CT, abdomen/pelvis; axial view; 512x512 px; 15 organs annotated in this scan (that count is for the whole scan; organs this slice misses have no box)
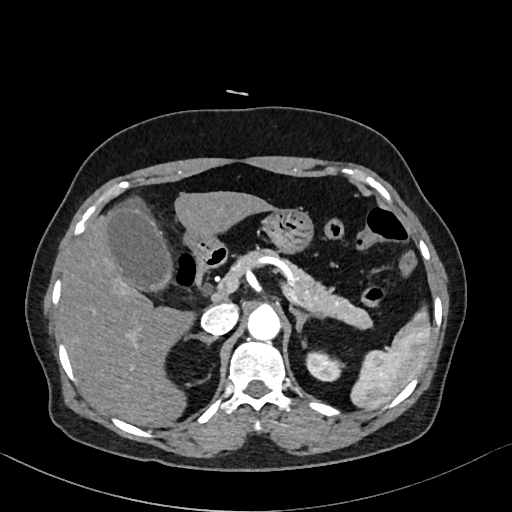 Bounding boxes as [x1, y1, x2, y2] in pixel coordinates.
spleen: [352, 313, 430, 409]
left kidney: [304, 351, 340, 381]
gall bladder: [105, 193, 170, 288]
liver: [60, 191, 271, 426]
stomach: [182, 208, 311, 255]
aorta: [247, 307, 279, 340]
inferior vena cava: [201, 303, 238, 335]
pancreas: [225, 247, 371, 327]
right adrenal gland: [187, 334, 216, 341]
left adrenal gland: [289, 304, 325, 330]
duodenum: [194, 246, 228, 289]